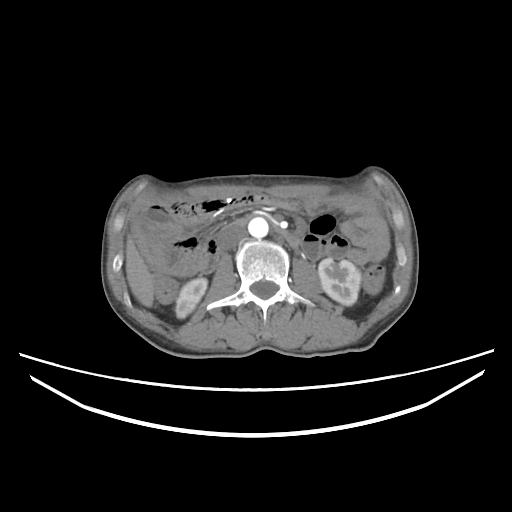

Abdominal CT. axial view. 50-year-old male patient
Boxes: x1:y1:x2:y2 in pixels.
Organ bounding boxes:
- right kidney: 175:278:207:318
- left kidney: 318:258:360:305
- liver: 126:236:153:306
- aorta: 248:217:268:238
- inferior vena cava: 218:223:246:250
- duodenum: 236:212:298:247